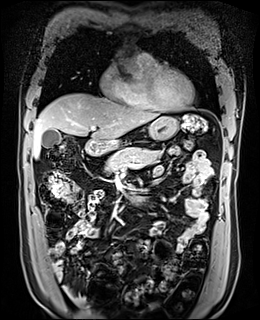

MRI, abdomen; coronal view; scan has 13 labeled organs (counted over the whole 3D scan, not this slice; an organ is boxed only where this slice passes through it)
Box edges are left/top/right/bottom in pixels. The annotated organs in this slice are: gall bladder at left=42, top=129, right=61, bottom=148, liver at left=32, top=93, right=159, bottom=158, stomach at left=112, top=116, right=178, bottom=141, aorta at left=114, top=49, right=142, bottom=76, pancreas at left=105, top=147, right=160, bottom=172, duodenum at left=84, top=138, right=144, bottom=202.